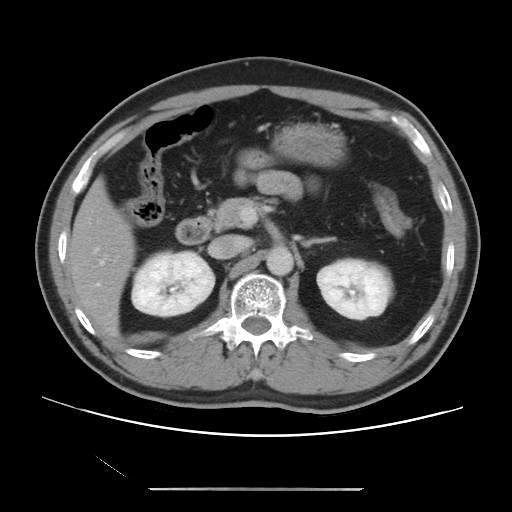
Computed tomography, abdomen · axial view · 15 organs annotated in this scan (a whole-scan count: organs this slice does not pass through have no box)
Organ boxes in pixel coordinates; each row gives the top-left (x1, y1) and bottom-right (x2, y2) corners.
| organ | x1 | y1 | x2 | y2 |
|---|---|---|---|---|
| right kidney | 131 | 251 | 214 | 316 |
| left kidney | 317 | 259 | 392 | 319 |
| liver | 68 | 176 | 135 | 337 |
| stomach | 272 | 124 | 345 | 166 |
| aorta | 266 | 246 | 293 | 275 |
| inferior vena cava | 208 | 235 | 249 | 258 |
| pancreas | 213 | 197 | 262 | 231 |
| left adrenal gland | 301 | 236 | 338 | 247 |
| duodenum | 175 | 216 | 211 | 244 |